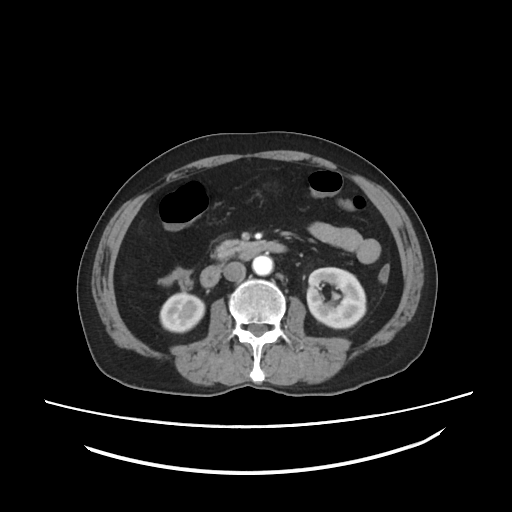
CT abdomen · axial view · 68-year-old male patient
Bounding boxes in pixels, one row per box: x1, y1 is the top-left corner and x2, y2 the bottom-right.
| organ | x1 | y1 | x2 | y2 |
|---|---|---|---|---|
| right kidney | 160 | 293 | 204 | 332 |
| aorta | 252 | 255 | 273 | 275 |
| left kidney | 307 | 267 | 365 | 328 |
| duodenum | 200 | 241 | 286 | 287 |
| inferior vena cava | 223 | 262 | 245 | 280 |
| pancreas | 215 | 239 | 264 | 258 |